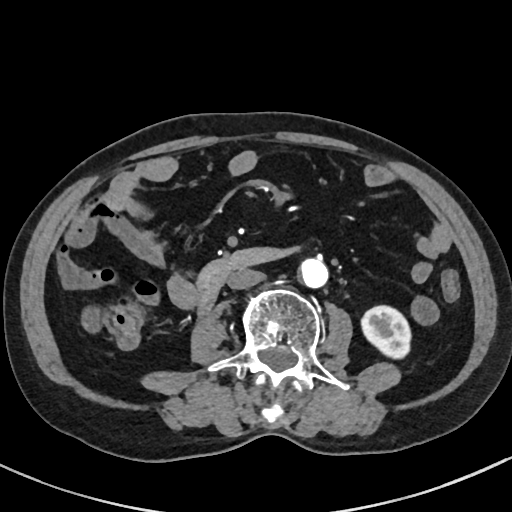

Computed tomography, abdomen — Axial slice 127/303 — 15 organs annotated in this scan (counted over the whole 3D scan, not this slice; an organ is boxed only where this slice passes through it)
Box edges are left/top/right/bottom in pixels.
left kidney: left=361, top=306, right=410, bottom=358
duodenum: left=197, top=246, right=300, bottom=313
inferior vena cava: left=227, top=268, right=265, bottom=289
aorta: left=299, top=257, right=328, bottom=288